CT, abdomen/pelvis — axial plane, index 205 — soft-tissue window (W 400 / L 40) — 512x512 px
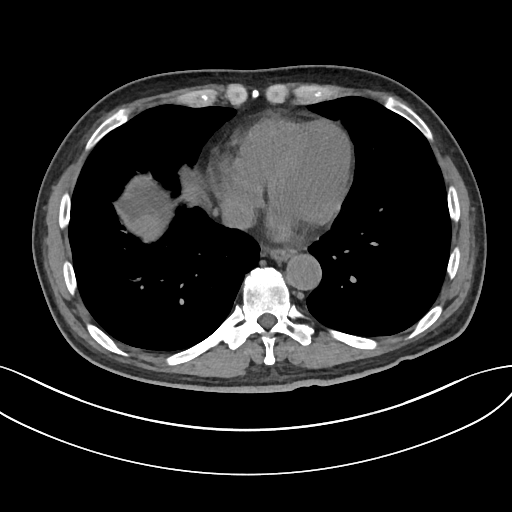

Boxes: x1:y1:x2:y2 in pixels. The annotated organs in this slice are: liver at 135:184:199:233, esophagus at 267:249:295:262, aorta at 287:255:322:290, inferior vena cava at 219:196:254:230.